CT abdomen — axial view — W/L 400/40 HU
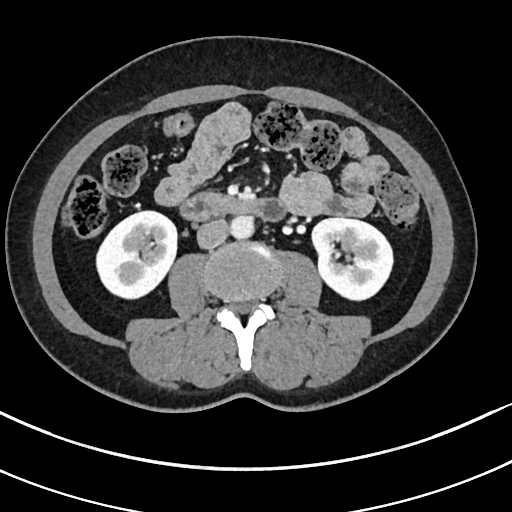

Box edges are left/top/right/bottom in pixels. The annotated organs in this slice are: right kidney at left=96, top=211, right=176, bottom=298, left kidney at left=311, top=218, right=394, bottom=300, aorta at left=230, top=215, right=254, bottom=238, inferior vena cava at left=197, top=218, right=229, bottom=248, duodenum at left=183, top=192, right=284, bottom=221.